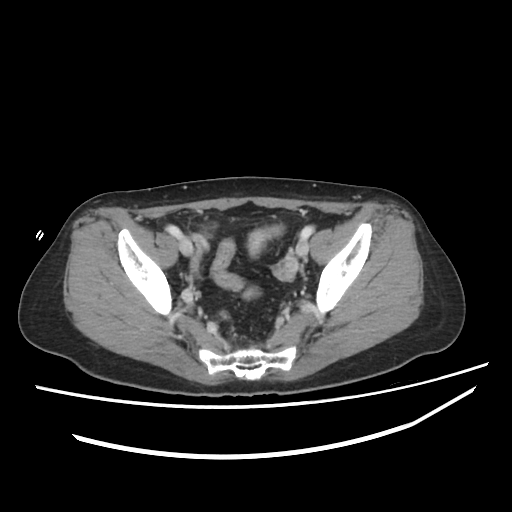
CT, abdomen/pelvis. axial view. 54-year-old female patient
<organs><organ name="prostate/uterus" x1="247" y1="230" x2="265" y2="254"/></organs>